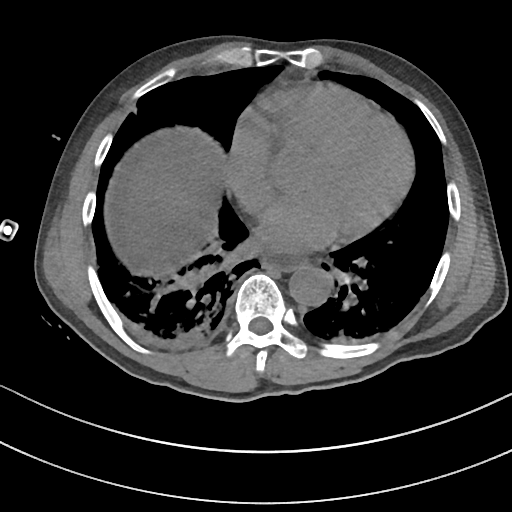

Computed tomography, abdomen — axial plane, index 236 — SOMATOM Force scanner — 15 organs annotated in this scan (that count is for the whole scan; organs this slice misses have no box)
One row per box, in pixels: columns x1 and y1 give the top-left corner, x2 and y2 the bottom-right.
| organ | x1 | y1 | x2 | y2 |
|---|---|---|---|---|
| aorta | 288 | 265 | 330 | 306 |
| liver | 124 | 134 | 226 | 272 |
| esophagus | 261 | 251 | 306 | 271 |